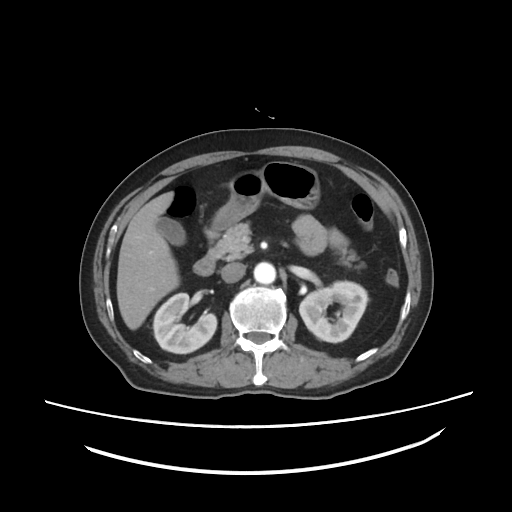

Computed tomography, abdomen · Axial slice 64/135 · soft-tissue window · 512x512 px
Organ boxes in pixel coordinates; each row gives the top-left (x1, y1) and bottom-right (x2, y2) corners.
| organ | x1 | y1 | x2 | y2 |
|---|---|---|---|---|
| right kidney | 153 | 293 | 216 | 353 |
| left kidney | 299 | 281 | 367 | 342 |
| gall bladder | 156 | 217 | 185 | 245 |
| liver | 116 | 192 | 179 | 329 |
| stomach | 210 | 161 | 319 | 230 |
| aorta | 253 | 262 | 275 | 284 |
| inferior vena cava | 221 | 262 | 245 | 282 |
| pancreas | 215 | 223 | 357 | 266 |
| duodenum | 193 | 228 | 218 | 275 |